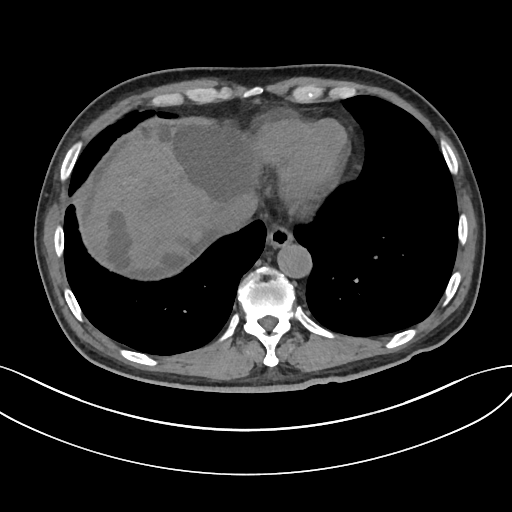

Computed tomography, abdomen — axial view — 512x512 px
{"organs":{"esophagus":[266,228,292,247],"aorta":[277,243,311,277],"inferior vena cava":[213,195,257,233],"liver":[80,117,257,276]}}